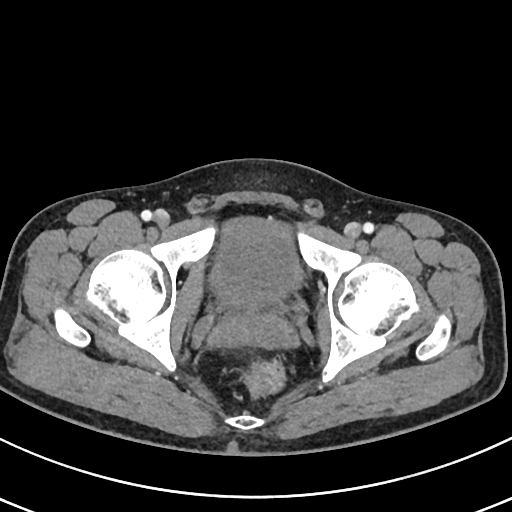

Abdominal CT — axial view — W/L 400/40 HU
Boxes: x1:y1:x2:y2 in pixels. 2 labeled organs on this slice — bladder at 210:217:302:295; prostate/uterus at 227:286:275:310.